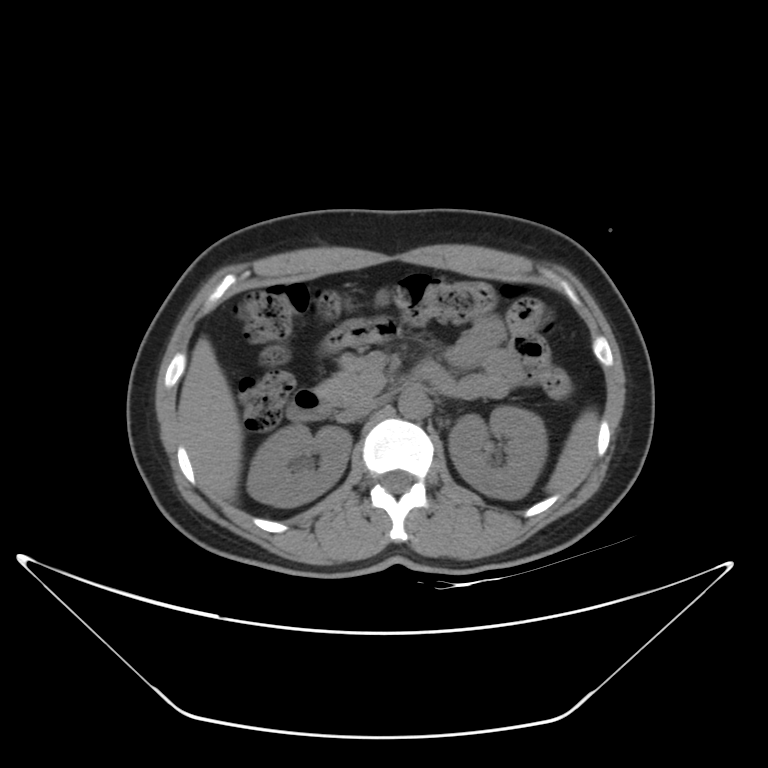
CT abdomen · axial view · soft-tissue window · 768x768 px
Organ boxes in pixel coordinates; each row gives the top-left (x1, y1) and bottom-right (x2, y2) corners.
| organ | x1 | y1 | x2 | y2 |
|---|---|---|---|---|
| spleen | 546 | 410 | 598 | 493 |
| right kidney | 247 | 424 | 351 | 507 |
| left kidney | 448 | 405 | 547 | 500 |
| liver | 177 | 337 | 242 | 515 |
| aorta | 397 | 389 | 429 | 418 |
| inferior vena cava | 337 | 397 | 379 | 422 |
| pancreas | 316 | 353 | 386 | 406 |
| duodenum | 287 | 363 | 454 | 421 |